Abdominal CT reaching into the chest; this slice is in the chest; Axial slice 217/276
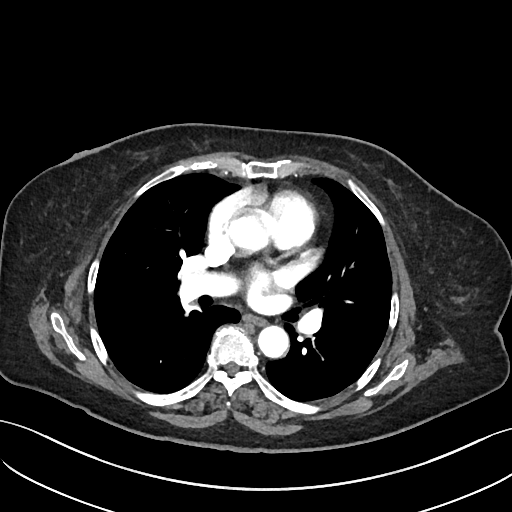
At this level of the chest no structure but the esophagus and the aorta has a label in this dataset, and those two are boxed only where they are labeled.
Coordinates as <box>x1,y1,x2,y2</box> in pixels.
Organ bounding boxes:
- esophagus: <box>245,315,266,326</box>
- aorta: <box>228,214,266,252</box>
- aorta: <box>257,326,288,358</box>